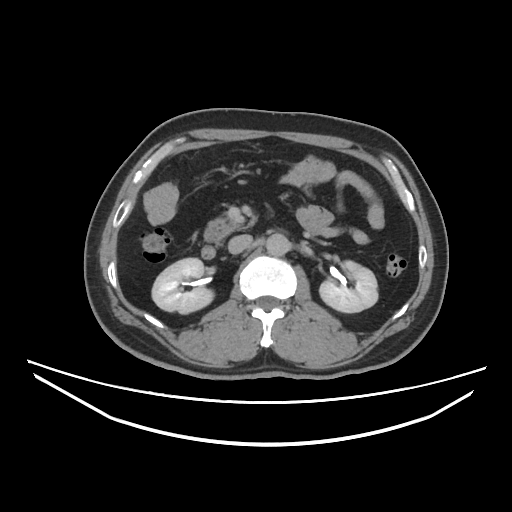 Abdominal CT · axial view · acquired on Aquilion ONE · 15 organs annotated in this scan (counted over the whole 3D scan, not this slice; an organ is boxed only where this slice passes through it)
Box edges are left/top/right/bottom in pixels. 6 labeled organs on this slice — right kidney at left=152, top=258, right=214, bottom=314; left kidney at left=318, top=260, right=377, bottom=312; aorta at left=265, top=232, right=290, bottom=254; inferior vena cava at left=228, top=234, right=253, bottom=252; pancreas at left=204, top=217, right=238, bottom=242; duodenum at left=200, top=247, right=215, bottom=259.